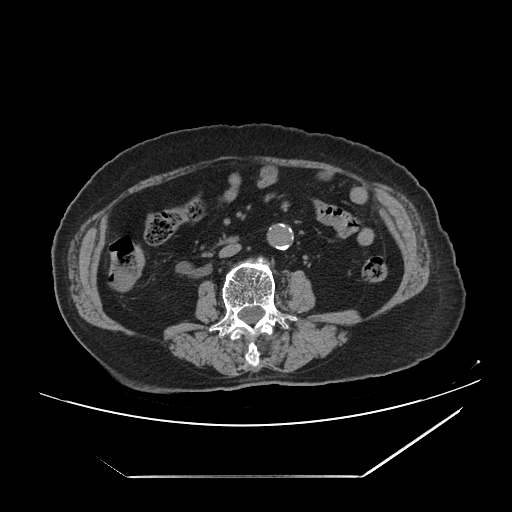

Abdominal CT; axial view; soft-tissue window (W 400 / L 40)
<organs><organ name="aorta" x1="267" y1="223" x2="293" y2="249"/><organ name="inferior vena cava" x1="219" y1="243" x2="241" y2="257"/><organ name="duodenum" x1="230" y1="239" x2="233" y2="240"/></organs>